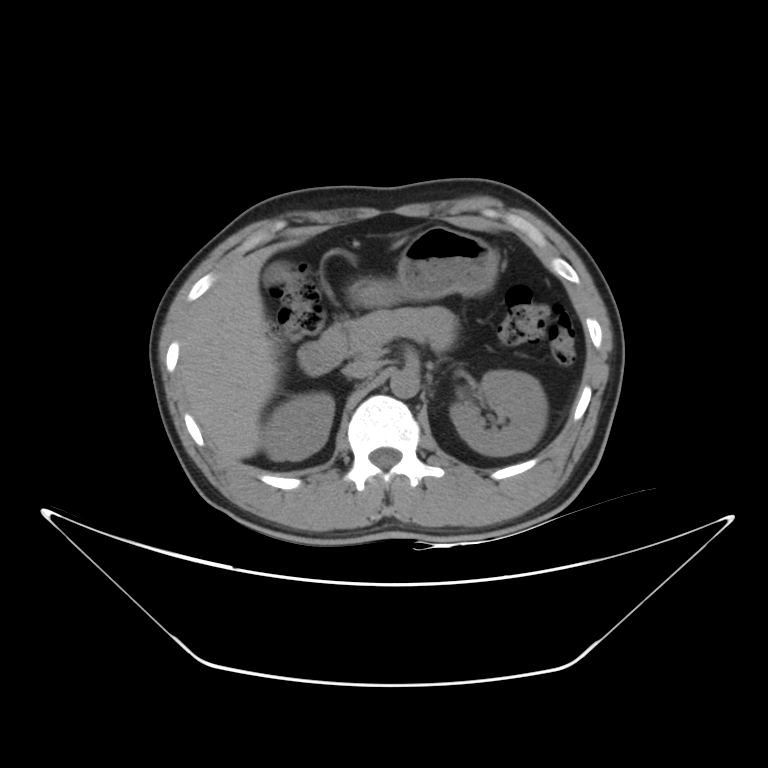

CT, abdomen/pelvis; axial view; W/L 400/40 HU
<organs><organ name="gall bladder" x1="262" y1="261" x2="291" y2="285"/><organ name="left adrenal gland" x1="428" y1="363" x2="437" y2="368"/><organ name="pancreas" x1="342" y1="307" x2="458" y2="358"/><organ name="liver" x1="178" y1="242" x2="295" y2="459"/><organ name="aorta" x1="390" y1="369" x2="419" y2="398"/><organ name="inferior vena cava" x1="343" y1="360" x2="380" y2="377"/><organ name="left kidney" x1="450" y1="370" x2="547" y2="456"/><organ name="duodenum" x1="298" y1="327" x2="343" y2="375"/><organ name="stomach" x1="350" y1="226" x2="498" y2="306"/><organ name="right kidney" x1="261" y1="392" x2="333" y2="460"/></organs>